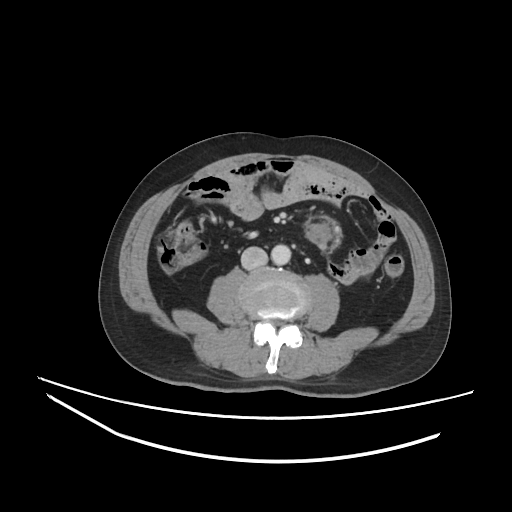

Computed tomography, abdomen; Axial slice 48/128; 54-year-old male patient
One row per box, in pixels: columns x1 and y1 give the top-left corner, x2 and y2 the bottom-right.
| organ | x1 | y1 | x2 | y2 |
|---|---|---|---|---|
| aorta | 271 | 244 | 291 | 265 |
| inferior vena cava | 241 | 246 | 267 | 269 |